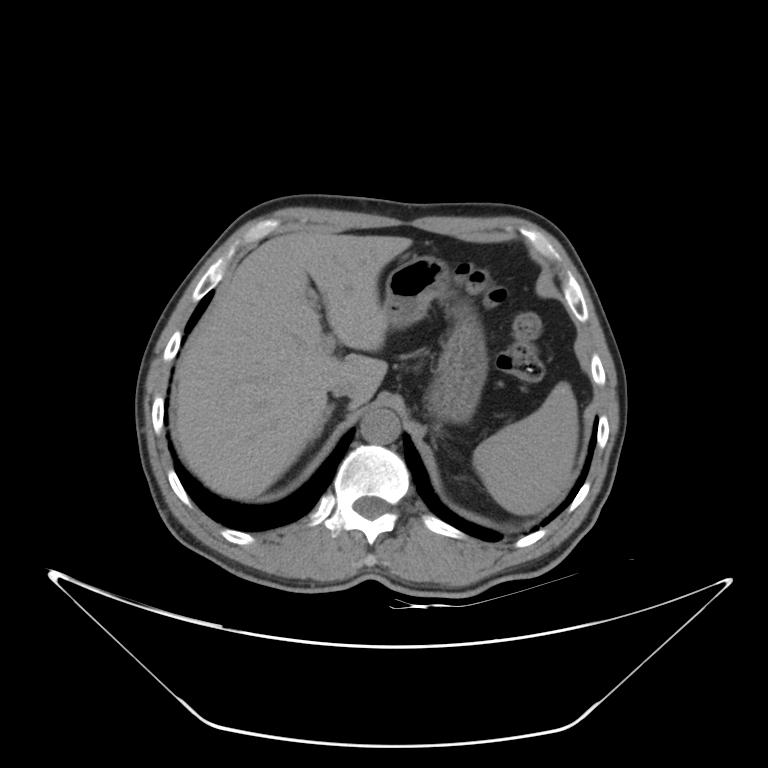 Computed tomography, abdomen. Axial slice 75/83. abdomen soft-tissue window. 15 organs annotated in this scan (a whole-scan count: organs this slice does not pass through have no box)
Each box given as x1,y1,x2,y2.
spleen: x1=473, y1=381, x2=578, y2=514
right adrenal gland: x1=317, y1=403, x2=334, y2=436
stomach: x1=383, y1=256, x2=487, y2=425
liver: x1=179, y1=231, x2=411, y2=500
inferior vena cava: x1=327, y1=378, x2=359, y2=400
aorta: x1=360, y1=408, x2=400, y2=443